CT of the abdomen extending into the chest, slice through the chest · axial view
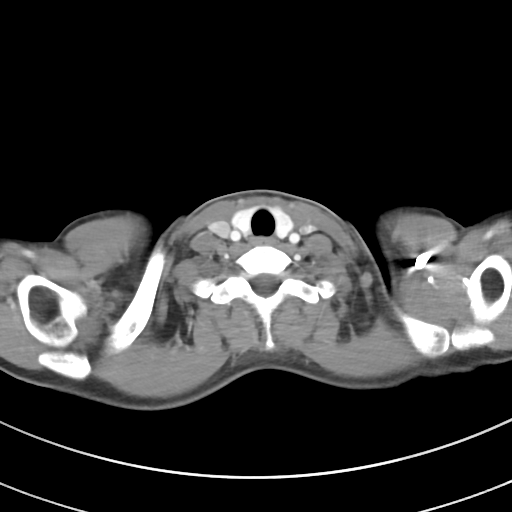

At this level of the chest this dataset labels only the esophagus and the aorta, and each is boxed only where it is labeled; the heart and lungs are never labeled.
{"organs":{"esophagus":[250,237,273,245]}}